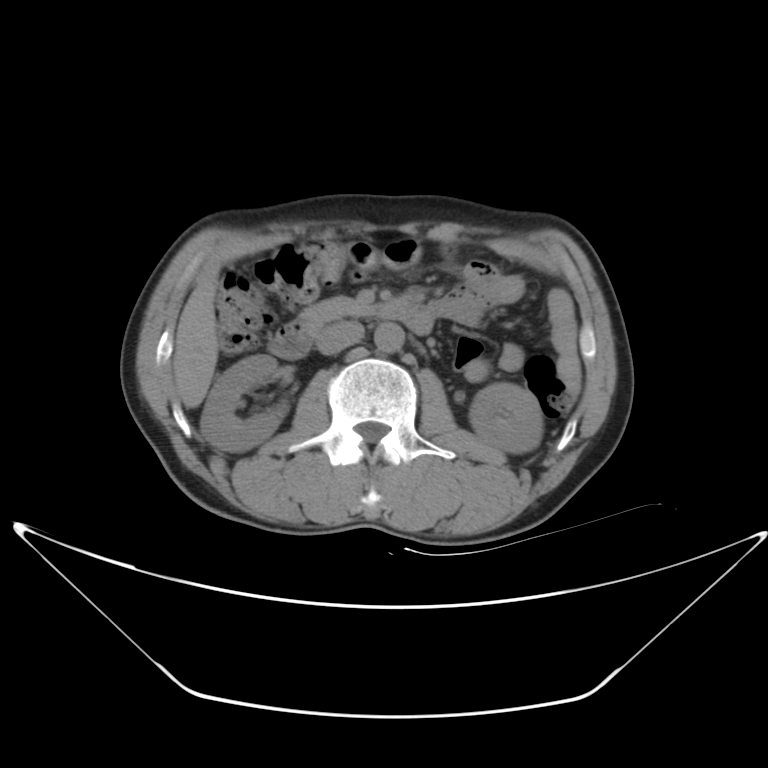 CT, abdomen/pelvis — axial view — soft-tissue window (W 400 / L 40)
One row per box, in pixels: columns x1 and y1 give the top-left corner, x2 and y2 the bottom-right.
| organ | x1 | y1 | x2 | y2 |
|---|---|---|---|---|
| left kidney | 469 | 384 | 541 | 452 |
| liver | 171 | 270 | 218 | 407 |
| inferior vena cava | 316 | 322 | 361 | 353 |
| right kidney | 203 | 354 | 289 | 451 |
| aorta | 372 | 324 | 406 | 350 |
| duodenum | 269 | 303 | 433 | 358 |
| pancreas | 300 | 300 | 377 | 330 |